Computed tomography, abdomen · axial view · soft-tissue window (W 400 / L 40) · 512x512 px
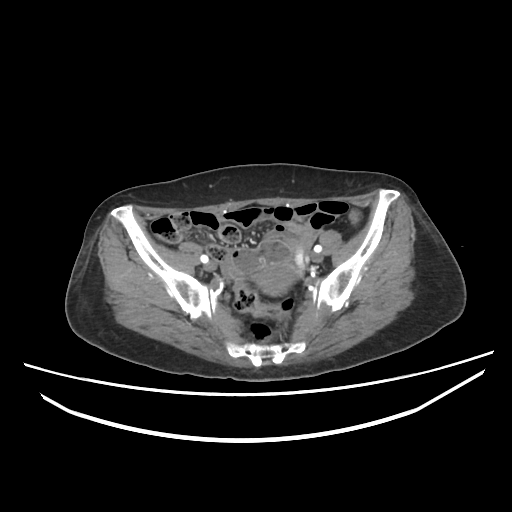

{"organs":{"prostate/uterus":[255,266,291,295]}}